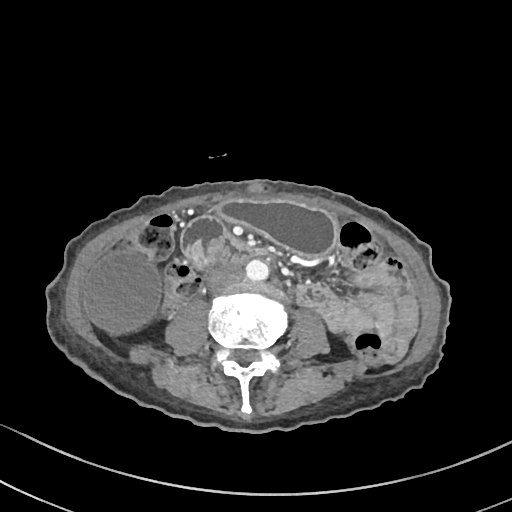 CT, abdomen/pelvis — axial view — 512x512 px — SOMATOM Force scanner — scan has 15 labeled organs (a whole-scan count: organs this slice does not pass through have no box)
Boxes: x1:y1:x2:y2 in pixels.
Organ bounding boxes:
- gall bladder: 83:253:159:333
- stomach: 216:200:337:259
- aorta: 245:260:268:282
- inferior vena cava: 207:266:243:293
- duodenum: 180:218:263:266